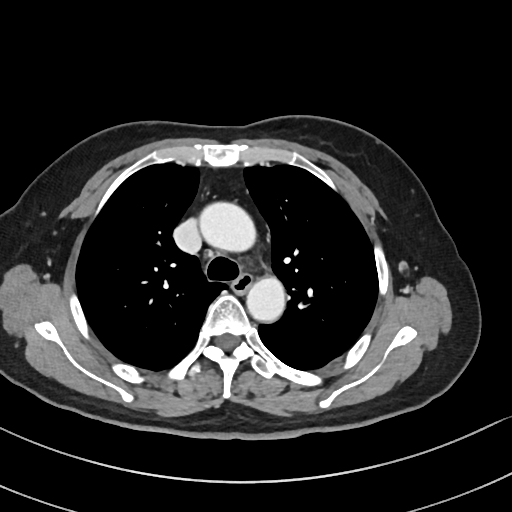 Abdominal CT reaching into the chest; this slice is in the chest; Axial slice 273/314
On a slice this high in the chest, this dataset labels only the esophagus and the aorta, and each is boxed only where it is labeled; the heart, lungs and other chest structures are not labeled.
One row per box, in pixels: columns x1 and y1 give the top-left corner, x2 and y2 the bottom-right.
| organ | x1 | y1 | x2 | y2 |
|---|---|---|---|---|
| esophagus | 232 | 274 | 252 | 292 |
| aorta | 200 | 202 | 256 | 252 |
| aorta | 246 | 277 | 285 | 321 |